CT abdomen · Axial slice 24/192 · soft-tissue window · SOMATOM Force scanner · scan has 15 labeled organs (counted over the whole 3D scan, not this slice; an organ is boxed only where this slice passes through it)
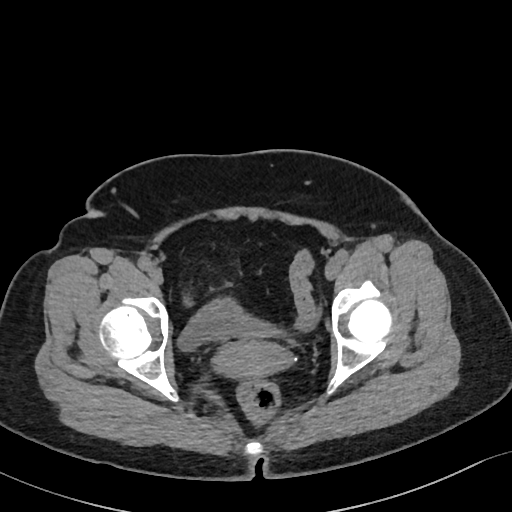
{"organs":{"bladder":[178,298,280,350],"prostate/uterus":[213,339,291,379]}}